Abdominal CT — axial view — abdomen soft-tissue window — 39-year-old male patient
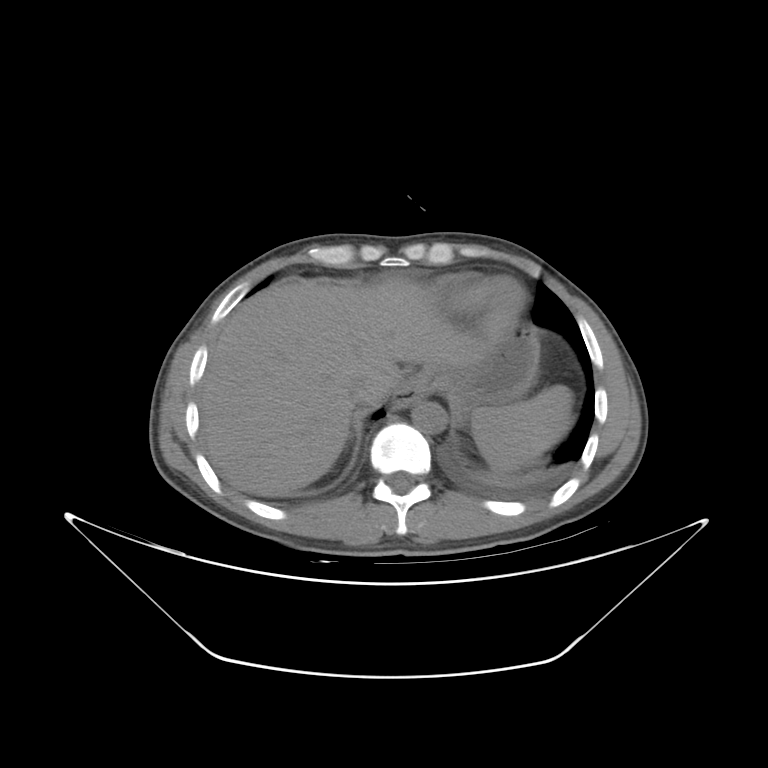 <organs><organ name="inferior vena cava" x1="349" y1="373" x2="377" y2="403"/><organ name="aorta" x1="411" y1="401" x2="446" y2="433"/><organ name="esophagus" x1="392" y1="386" x2="421" y2="408"/><organ name="stomach" x1="400" y1="321" x2="539" y2="420"/><organ name="liver" x1="204" y1="278" x2="482" y2="496"/><organ name="spleen" x1="471" y1="384" x2="572" y2="471"/></organs>